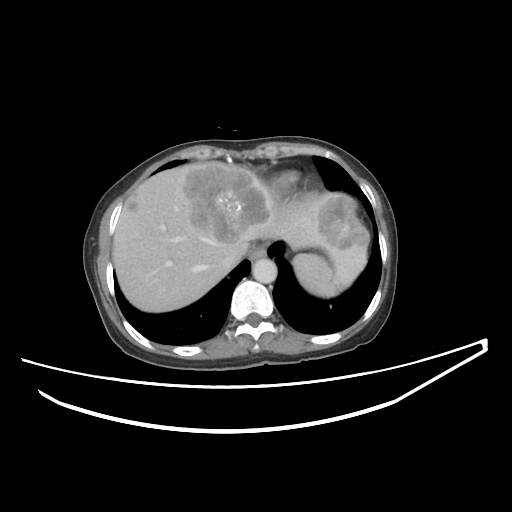
CT, abdomen/pelvis — axial plane, index 77 — scan has 15 labeled organs (that count is for the whole scan; organs this slice misses have no box)
Coordinates as <box>x1,y1,x2,y2</box> in pixels. 5 labeled organs on this slice — spleen at <box>293,254,344,297</box>; esophagus at <box>250,246,266,260</box>; liver at <box>112,161,368,312</box>; aorta at <box>252,258,277,283</box>; inferior vena cava at <box>220,257,231,269</box>.